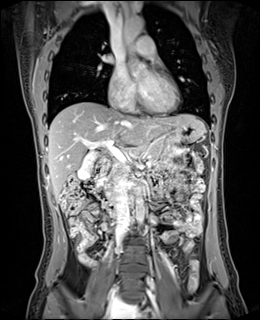
Abdominal MRI — coronal acquisition — 1st–99th percentile window — 260x320 px — scan has 13 labeled organs (counted over the whole 3D scan, not this slice; an organ is boxed only where this slice passes through it)
Bounding boxes in pixels, one row per box: x1, y1 is the top-left corner and x2, y2 the bottom-right.
| organ | x1 | y1 | x2 | y2 |
|---|---|---|---|---|
| inferior vena cava | 115 | 175 | 130 | 239 |
| gall bladder | 77 | 154 | 98 | 178 |
| aorta | 122 | 17 | 148 | 73 |
| aorta | 136 | 196 | 144 | 224 |
| duodenum | 94 | 159 | 117 | 196 |
| liver | 47 | 102 | 205 | 197 |
| pancreas | 104 | 141 | 163 | 182 |
| stomach | 169 | 120 | 203 | 142 |